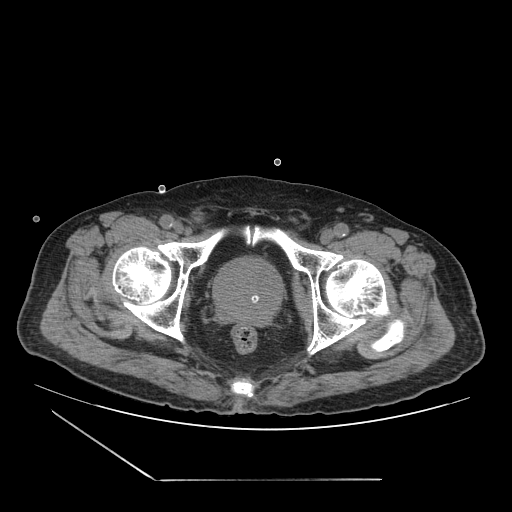

Abdominal CT — axial view — soft-tissue window (W 400 / L 40) — 512x512 px
Boxes are (x1, y1, x2, y2) in pixels.
Organ bounding boxes:
- prostate/uterus: (213, 257, 283, 325)